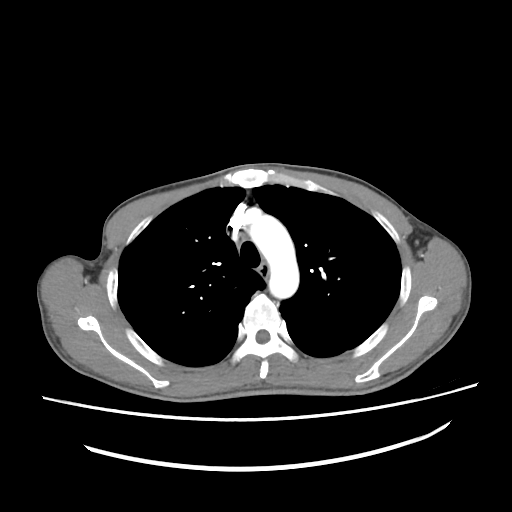

CT of the abdomen extending into the chest, slice through the chest. Axial slice 117/133. 50-year-old male patient
On a slice this high in the chest, this dataset labels only the esophagus and the aorta, and each is boxed only where it is labeled; the heart, lungs and other chest structures are not labeled.
<organs><organ name="aorta" x1="249" y1="215" x2="299" y2="298"/><organ name="esophagus" x1="259" y1="263" x2="269" y2="278"/></organs>